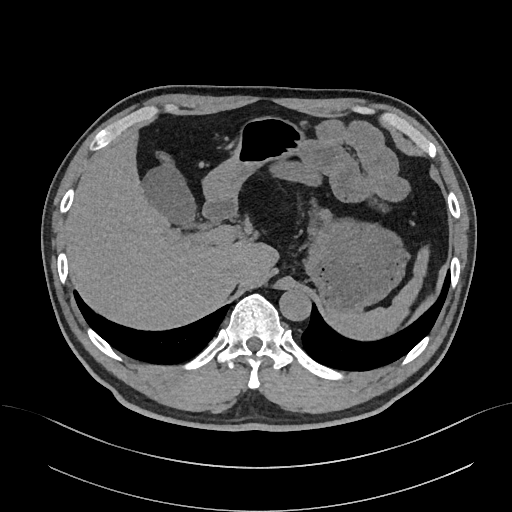 Computed tomography, abdomen · axial plane, index 209 · soft-tissue window · acquired on SOMATOM Force
Bounding boxes in pixels, one row per box: x1, y1 is the top-left corner and x2, y2 the bottom-right.
| organ | x1 | y1 | x2 | y2 |
|---|---|---|---|---|
| spleen | 329 | 246 | 430 | 341 |
| gall bladder | 142 | 165 | 198 | 230 |
| liver | 65 | 134 | 277 | 330 |
| stomach | 203 | 117 | 404 | 315 |
| aorta | 279 | 288 | 310 | 320 |
| inferior vena cava | 223 | 259 | 247 | 282 |
| duodenum | 202 | 196 | 237 | 222 |